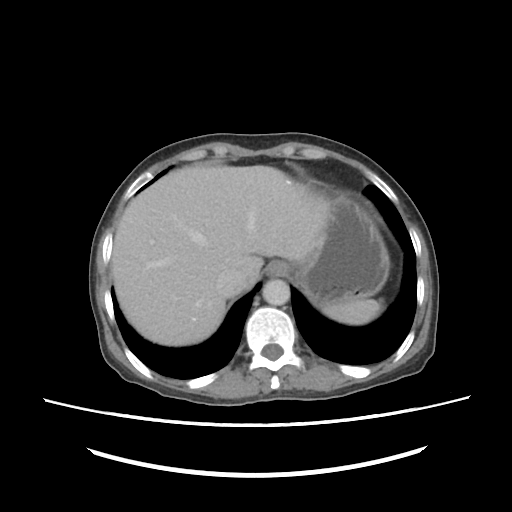

Abdominal CT. axial view
Bounding boxes in pixels, one row per box: x1, y1 is the top-left corner and x2, y2 the bottom-right.
| organ | x1 | y1 | x2 | y2 |
|---|---|---|---|---|
| spleen | 320 | 300 | 382 | 325 |
| esophagus | 266 | 261 | 290 | 277 |
| liver | 111 | 163 | 328 | 346 |
| stomach | 297 | 193 | 390 | 306 |
| aorta | 262 | 278 | 290 | 306 |
| inferior vena cava | 214 | 266 | 251 | 297 |